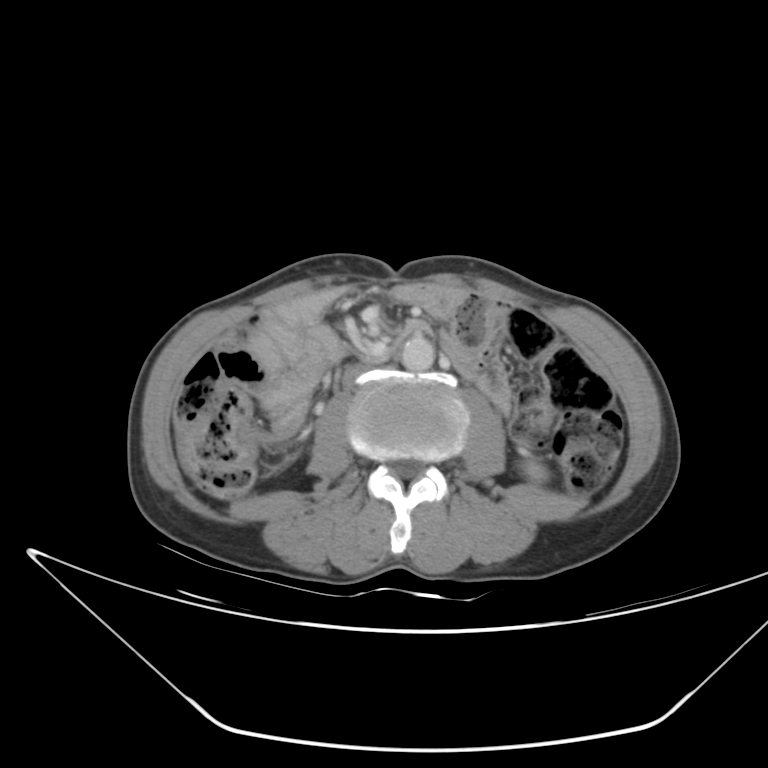 Computed tomography, abdomen; Axial slice 23/104; 768x768 px; acquired on Brilliance16
Boxes are (x1, y1, x2, y2) in pixels. 3 labeled organs on this slice — left kidney at (523, 464, 548, 482); aorta at (401, 335, 435, 372); inferior vena cava at (339, 362, 398, 387).